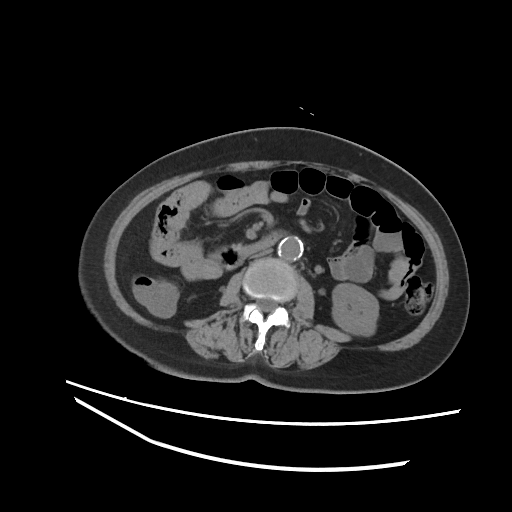
CT, abdomen/pelvis — axial view — soft-tissue window — 57-year-old female patient — acquired on Aquilion ONE — 15 organs annotated in this scan (counted over the whole 3D scan, not this slice; an organ is boxed only where this slice passes through it)
{"organs":{"left kidney":[332,283,378,335],"aorta":[278,237,302,260],"inferior vena cava":[249,248,271,258],"duodenum":[221,233,279,267]}}